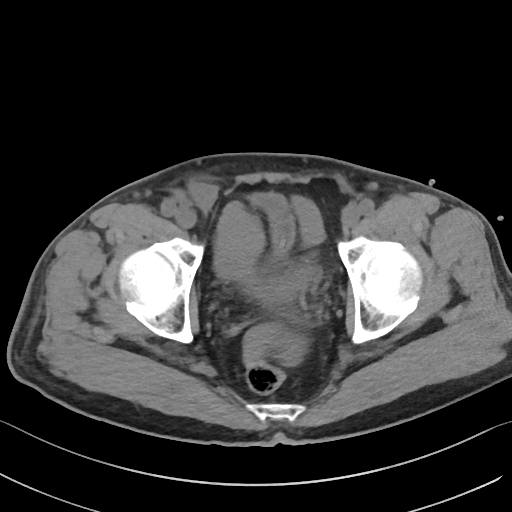
CT, abdomen/pelvis · Axial slice 13/100 · soft-tissue window (W 400 / L 40)
Box edges are left/top/right/bottom in pixels.
Organ bounding boxes:
- bladder: left=248, top=194, right=294, bottom=276